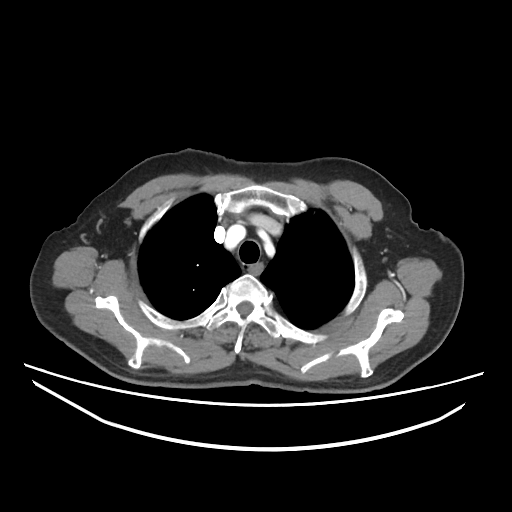 Chest-level slice from an abdominal CT that extends up into the chest; Axial slice 117/124; soft-tissue window, W/L 400/40; 512x512 px; 58-year-old male patient
At this level of the chest this dataset labels only the esophagus and the aorta, and each is boxed only where it is labeled; the heart and lungs are never labeled.
<organs><organ name="esophagus" x1="249" y1="264" x2="262" y2="274"/></organs>